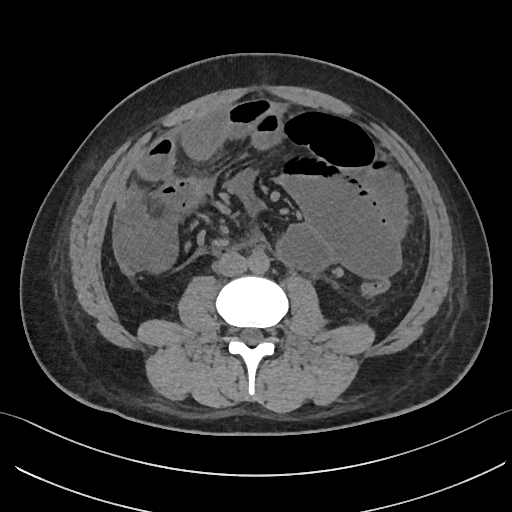 CT abdomen. Axial slice 117/234. 512x512 px
One row per box, in pixels: columns x1 and y1 give the top-left corner, x2 and y2 the bottom-right.
| organ | x1 | y1 | x2 | y2 |
|---|---|---|---|---|
| aorta | 248 | 251 | 269 | 273 |
| inferior vena cava | 215 | 252 | 247 | 276 |